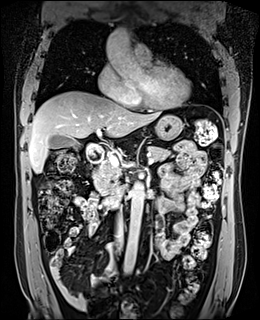

MRI, abdomen; coronal acquisition; 1st–99th percentile window; Prisma scanner
Bounding boxes as [x1, y1, x2, y2] in pixel coordinates.
stomach: [155, 114, 182, 140]
duodenum: [86, 142, 125, 208]
aorta: [105, 28, 147, 82]
aorta: [124, 181, 145, 273]
gall bladder: [50, 135, 80, 148]
inferior vena cava: [115, 208, 123, 249]
pancreas: [94, 146, 171, 194]
liver: [28, 91, 161, 173]